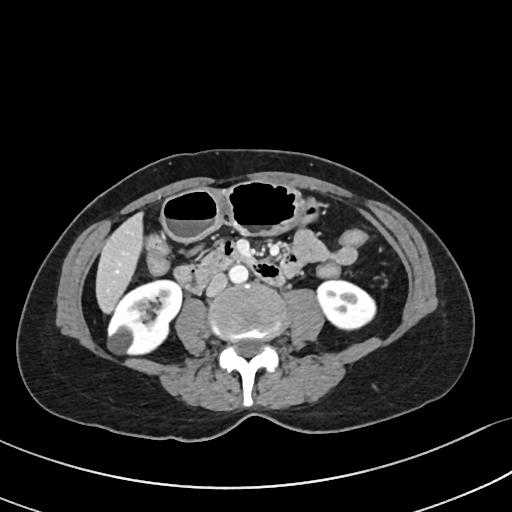

CT, abdomen/pelvis. axial view. W/L 400/40 HU
Boxes: x1:y1:x2:y2 in pixels.
Organ bounding boxes:
- right kidney: 107:279:182:356
- left kidney: 315:279:376:330
- liver: 94:213:143:315
- stomach: 162:181:325:243
- aorta: 229:265:248:283
- inferior vena cava: 206:274:227:296
- pancreas: 200:253:213:265
- duodenum: 173:245:284:294